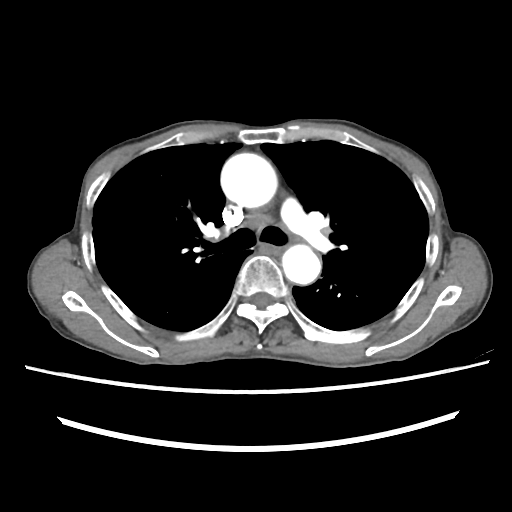 Chest-level CT slice, above the liver and spleen. axial plane, index 98. 512x512 px. 81-year-old male patient
At this level of the chest this dataset labels only the esophagus and the aorta, and each is boxed only where it is labeled; the heart and lungs are never labeled.
Boxes are (x1, y1, x2, y2) in pixels.
esophagus: (257, 244, 282, 256)
aorta: (220, 153, 277, 207)
aorta: (282, 244, 320, 284)